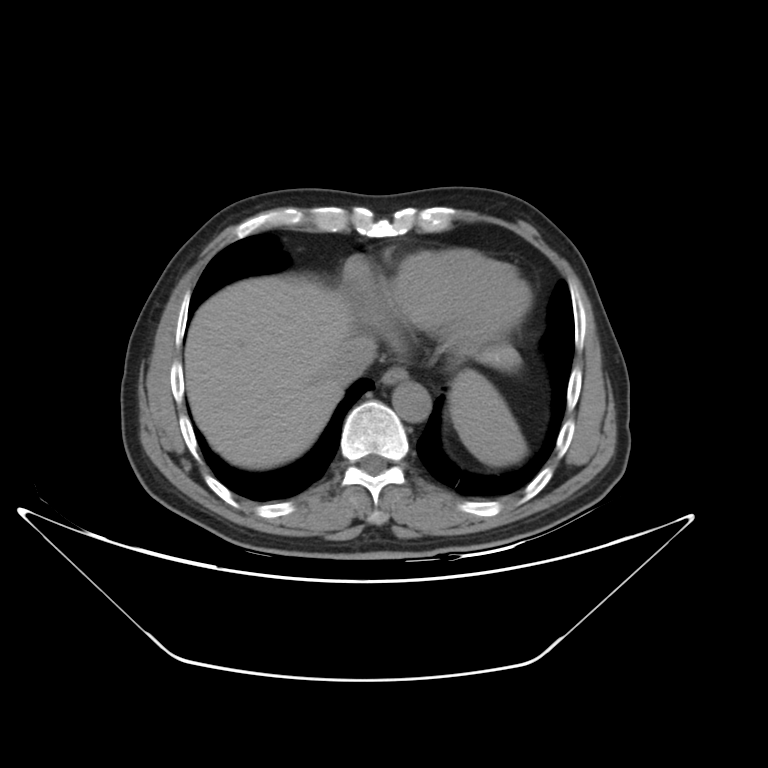 Computed tomography, abdomen. axial view. soft-tissue window (W 400 / L 40). 768x768 px
Bounding boxes as [x1, y1, x2, y2] in pixel coordinates.
Organ bounding boxes:
- inferior vena cava: [341, 335, 376, 372]
- aorta: [392, 382, 430, 421]
- liver: [184, 277, 523, 468]
- spleen: [451, 369, 524, 465]
- esophagus: [382, 367, 407, 385]